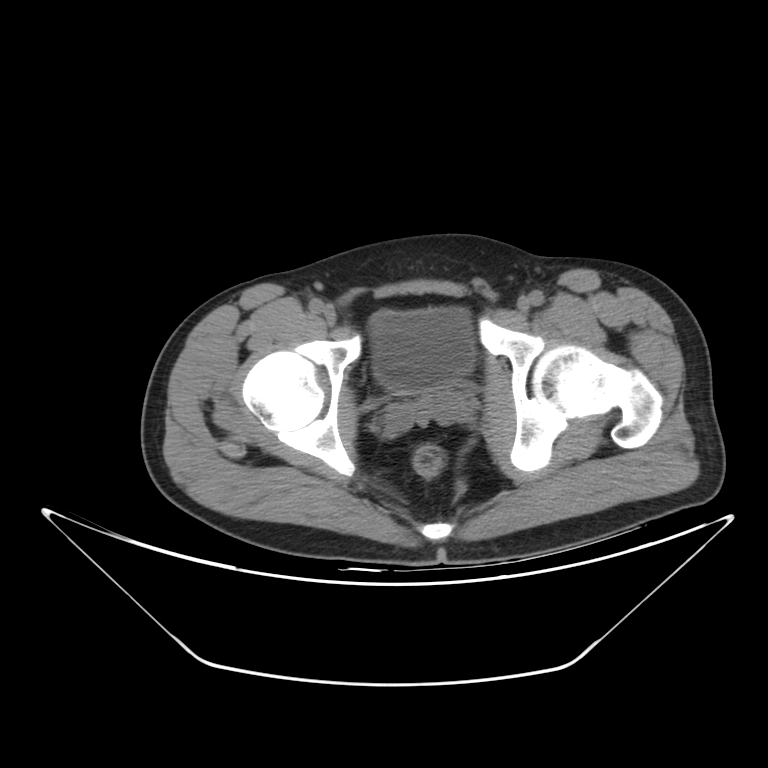 CT, abdomen/pelvis · axial view · 768x768 px · 37-year-old male patient
Coordinates as <box>x1,y1,x2,y2</box> in pixels. 2 labeled organs on this slice — bladder at <box>370,308,475,393</box>; prostate/uterus at <box>415,389,456,413</box>.